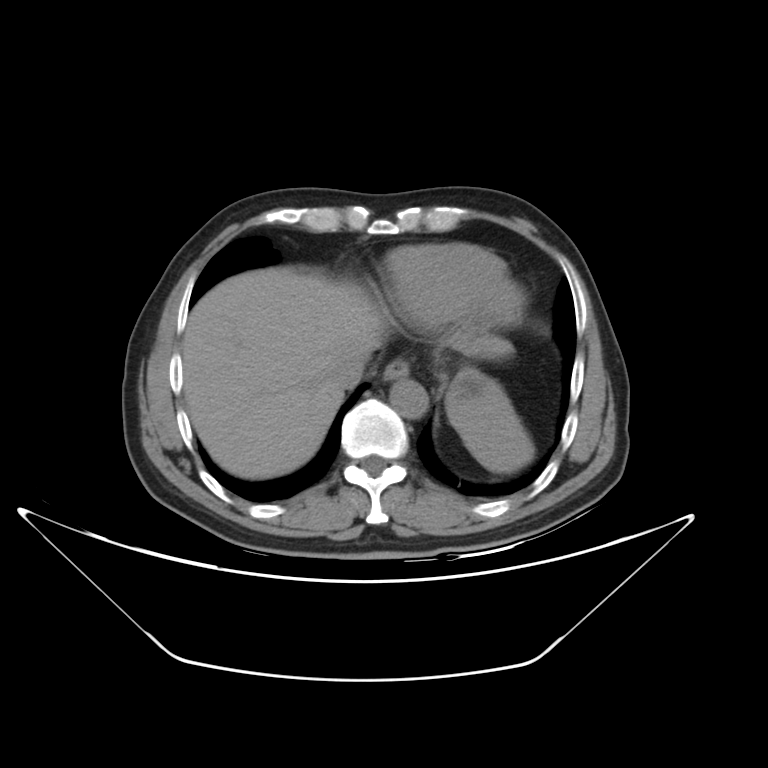 CT, abdomen/pelvis — axial view — W/L 400/40 HU — 768x768 px — 71-year-old male patient — 15 organs annotated in this scan (that count is for the whole scan; organs this slice misses have no box)
Coordinates as <box>x1,y1,x2,y2</box> in pixels. The annotated organs in this slice are: spleen at <box>445,369,534,473</box>, esophagus at <box>384,360,407,378</box>, liver at <box>180,267,516,478</box>, aorta at <box>388,377,427,417</box>, inferior vena cava at <box>335,359,364,390</box>.